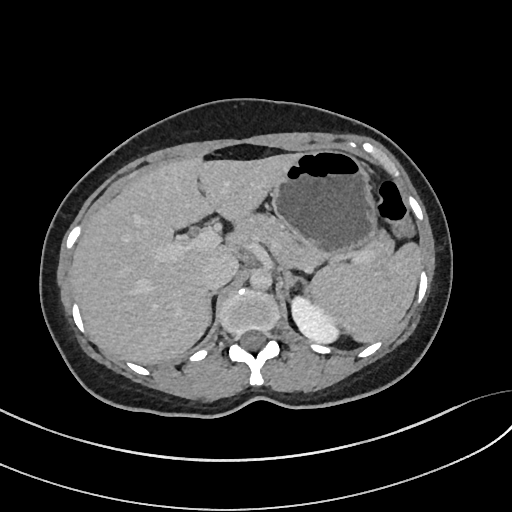

CT, abdomen/pelvis · axial view · soft-tissue window · acquired on SOMATOM Force · scan has 15 labeled organs (a whole-scan count: organs this slice does not pass through have no box)
Each box given as x1,y1,x2,y2. The annotated organs in this slice are: spleen at x1=310, y1=243, x2=422, y2=343, left kidney at x1=290, y1=294, x2=338, y2=343, liver at x1=71, y1=153, x2=296, y2=364, stomach at x1=270, y1=148, x2=375, y2=261, aorta at x1=249, y1=267, x2=271, y2=289, inferior vena cava at x1=201, y1=255, x2=238, y2=290, pancreas at x1=236, y1=211, x2=392, y2=272, right adrenal gland at x1=206, y1=290, x2=217, y2=328, left adrenal gland at x1=280, y1=270, x2=309, y2=300.